Computed tomography, abdomen — axial view — scan has 15 labeled organs (that count is for the whole scan; organs this slice misses have no box)
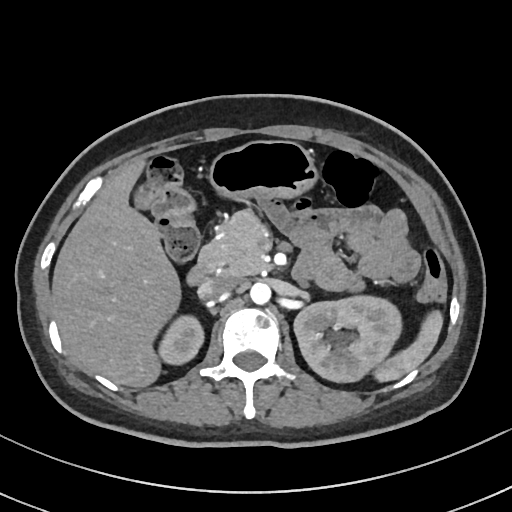 Bounding boxes in pixels, one row per box: x1, y1 is the top-left corner and x2, y2 the bottom-right.
| organ | x1 | y1 | x2 | y2 |
|---|---|---|---|---|
| liver | 53 | 160 | 178 | 386 |
| left kidney | 294 | 296 | 401 | 382 |
| spleen | 376 | 312 | 443 | 382 |
| duodenum | 184 | 262 | 211 | 286 |
| stomach | 211 | 140 | 315 | 197 |
| right kidney | 160 | 316 | 204 | 365 |
| aorta | 249 | 281 | 270 | 304 |
| pancreas | 198 | 210 | 268 | 275 |
| inferior vena cava | 197 | 274 | 239 | 297 |